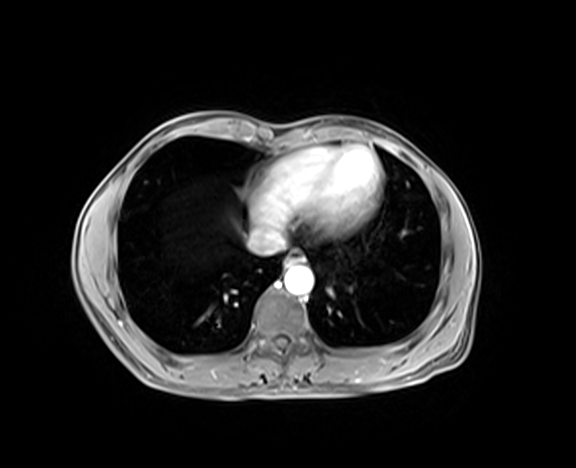

MRI of the abdomen reaching into the lower chest, slice just above the liver and spleen — axial plane, index 70 — 576x468 px
No part of the heart or lungs is labeled in this dataset, so neither has a box here.
{"organs":{"esophagus":[284,250,303,266],"aorta":[284,266,313,294],"inferior vena cava":[248,228,285,254]}}